Computed tomography, abdomen · Axial slice 131/291 · W/L 400/40 HU · 512x512 px · scan has 15 labeled organs (a whole-scan count: organs this slice does not pass through have no box)
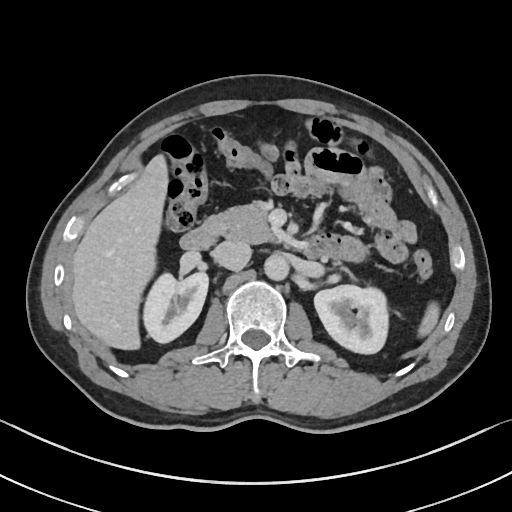
{"organs":{"inferior vena cava":[211,240,251,271],"right kidney":[143,273,207,342],"left kidney":[314,286,388,354],"aorta":[264,255,289,281],"spleen":[419,303,439,336],"liver":[70,152,169,350],"duodenum":[180,225,324,256],"pancreas":[203,203,277,244]}}